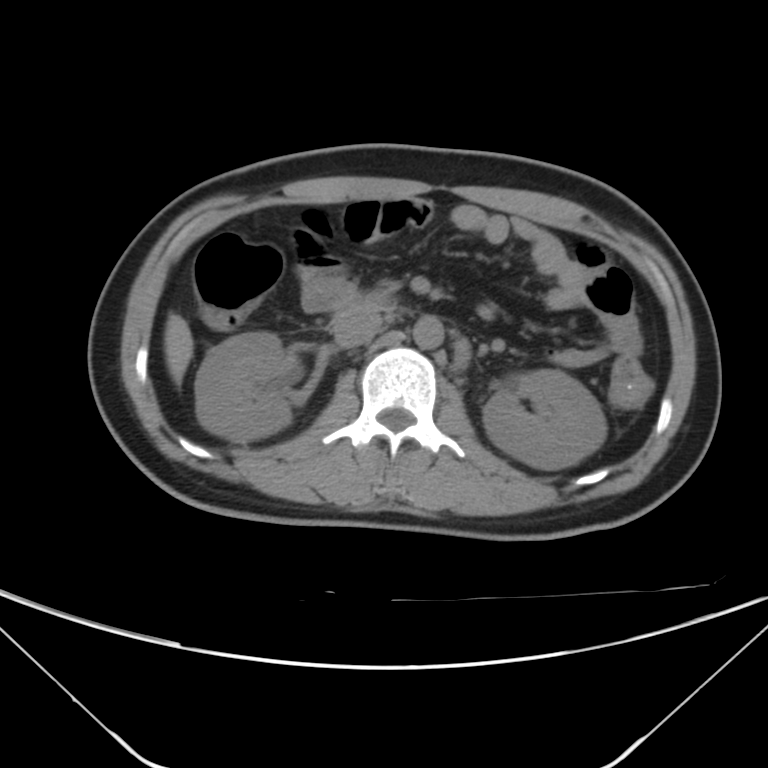
Computed tomography, abdomen. axial view. soft-tissue window. 768x768 px. 24-year-old male patient. scan has 15 labeled organs (that count is for the whole scan; organs this slice misses have no box)
Bounding boxes as [x1, y1, x2, y2] in pixel coordinates.
Organ bounding boxes:
- liver: [164, 312, 193, 385]
- left kidney: [483, 369, 606, 469]
- duodenum: [340, 291, 394, 311]
- aorta: [413, 316, 443, 349]
- inferior vena cava: [332, 308, 381, 347]
- right kidney: [195, 332, 292, 442]